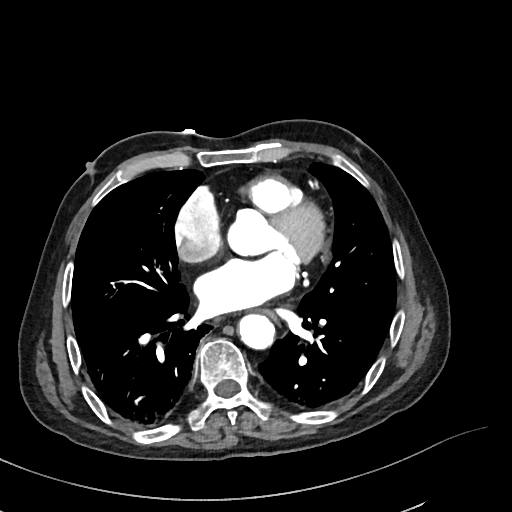
CT of the abdomen reaching into the lower chest, slice just above the liver and spleen — axial view — soft-tissue window, W/L 400/40 — 512x512 px — SOMATOM Force scanner
No part of the heart or lungs is labeled in this dataset, so neither has a box here.
Box edges are left/top/right/bottom in pixels.
esophagus: left=256, top=309, right=277, bottom=320
aorta: left=238, top=314, right=276, bottom=350